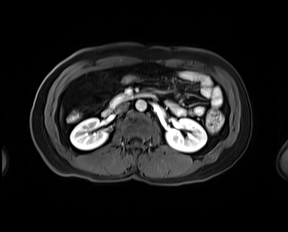
Abdominal MR. axial plane, index 15
{"organs":{"right kidney":[70,118,107,149],"left kidney":[166,118,206,152],"aorta":[135,100,146,111],"inferior vena cava":[117,103,128,112],"pancreas":[110,94,128,106],"duodenum":[102,92,153,116]}}